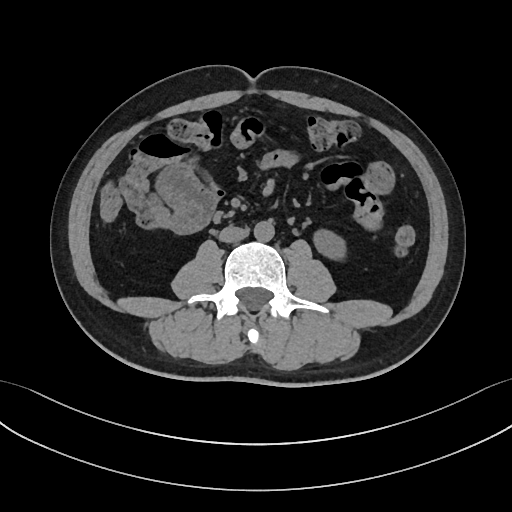

Computed tomography, abdomen · Axial slice 121/225 · SOMATOM Force scanner · 15 organs annotated in this scan (that count is for the whole scan; organs this slice misses have no box)
Each box given as x1,y1,x2,y2.
Organ bounding boxes:
- left kidney: x1=311, y1=227, x2=345, y2=257
- aorta: x1=253, y1=221, x2=274, y2=241
- inferior vena cava: x1=219, y1=225, x2=248, y2=242